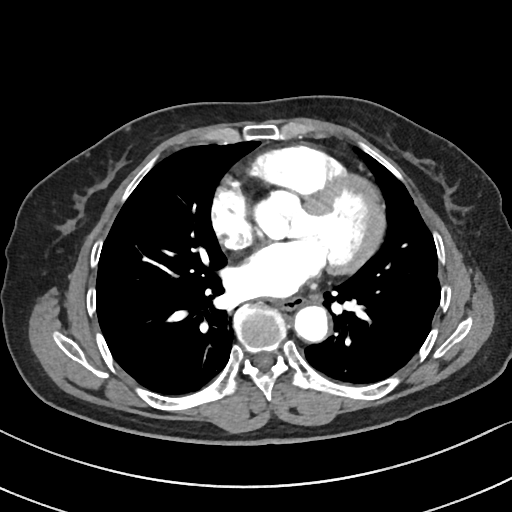

CT of the abdomen reaching into the lower chest, slice just above the liver and spleen — axial view — soft-tissue window — 512x512 px — 15 organs annotated in this scan (that count is for the whole scan; organs this slice misses have no box)
No part of the heart or lungs is labeled in this dataset, so neither has a box here.
Boxes are (x1, y1, x2, y2) in pixels.
aorta: (294, 306, 328, 342)
esophagus: (277, 297, 303, 310)